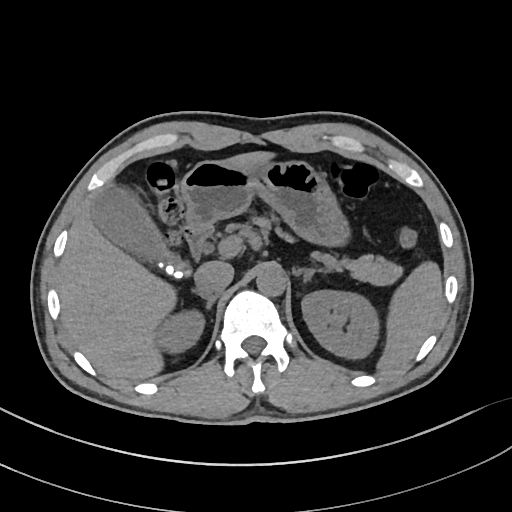

CT, abdomen/pelvis. axial view. abdomen soft-tissue window
<organs><organ name="gall bladder" x1="92" y1="185" x2="189" y2="276"/><organ name="duodenum" x1="184" y1="223" x2="212" y2="257"/><organ name="inferior vena cava" x1="194" y1="261" x2="233" y2="294"/><organ name="left adrenal gland" x1="294" y1="267" x2="330" y2="281"/><organ name="stomach" x1="179" y1="160" x2="349" y2="246"/><organ name="pancreas" x1="254" y1="218" x2="402" y2="285"/><organ name="spleen" x1="377" y1="261" x2="442" y2="369"/><organ name="aorta" x1="256" y1="264" x2="286" y2="296"/><organ name="right adrenal gland" x1="194" y1="290" x2="217" y2="310"/><organ name="liver" x1="58" y1="151" x2="273" y2="380"/><organ name="right kidney" x1="155" y1="309" x2="204" y2="354"/><organ name="left kidney" x1="301" y1="290" x2="379" y2="358"/></organs>